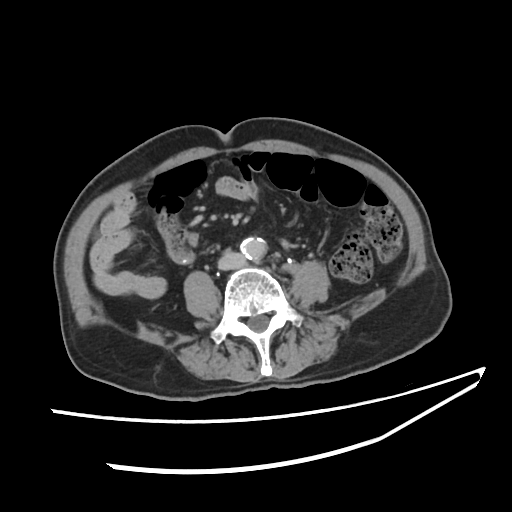

CT abdomen · axial view · W/L 400/40 HU · Aquilion ONE scanner · scan has 15 labeled organs (counted over the whole 3D scan, not this slice; an organ is boxed only where this slice passes through it)
Box edges are left/top/right/bottom in pixels. Labeled organs on this slice: aorta at left=241, top=236, right=265, bottom=258, inferior vena cava at left=218, top=253, right=245, bottom=268.